Computed tomography, abdomen. axial plane, index 39. abdomen soft-tissue window
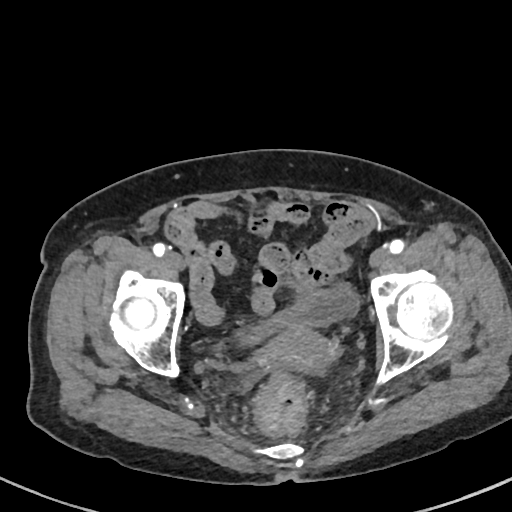

Each box given as x1,y1,x2,y2. The annotated organs in this slice are: bladder at x1=239, y1=283, x2=359, y2=343, prostate/uterus at x1=258, y1=327, x2=335, y2=371.